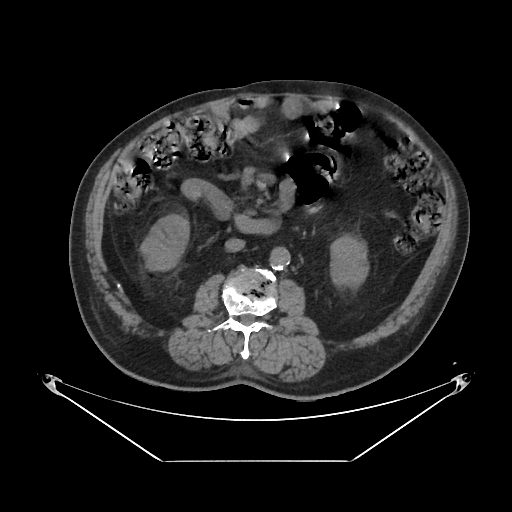 CT abdomen · axial view · W/L 400/40 HU · 15 organs annotated in this scan (a whole-scan count: organs this slice does not pass through have no box)
Organ boxes in pixel coordinates; each row gives the top-left (x1, y1) and bottom-right (x2, y2) corners.
| organ | x1 | y1 | x2 | y2 |
|---|---|---|---|---|
| aorta | 270 | 246 | 290 | 268 |
| right kidney | 142 | 215 | 187 | 268 |
| inferior vena cava | 225 | 238 | 245 | 251 |
| left kidney | 331 | 237 | 366 | 284 |
| duodenum | 185 | 179 | 271 | 232 |